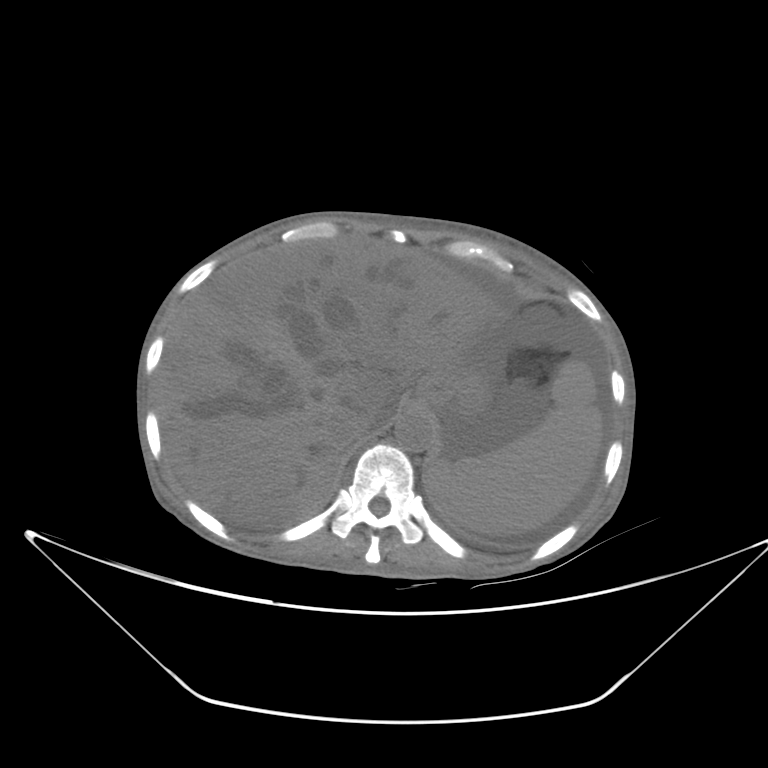 CT, abdomen/pelvis · axial plane, index 85 · 56-year-old female patient · 15 organs annotated in this scan (a whole-scan count: organs this slice does not pass through have no box)
{"organs":{"spleen":[427,359,603,535],"liver":[156,236,509,525],"stomach":[417,357,487,419],"aorta":[394,408,435,452],"inferior vena cava":[333,409,381,441]}}